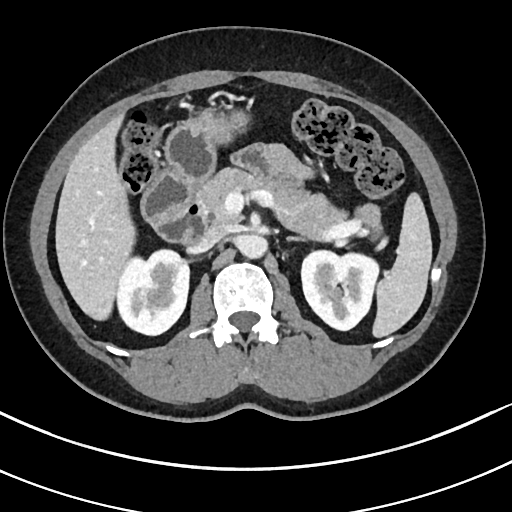
CT, abdomen/pelvis · axial view · 512x512 px
<organs><organ name="spleen" x1="372" y1="192" x2="432" y2="337"/><organ name="right kidney" x1="116" y1="249" x2="189" y2="334"/><organ name="left kidney" x1="301" y1="250" x2="379" y2="330"/><organ name="liver" x1="55" y1="114" x2="135" y2="320"/><organ name="stomach" x1="165" y1="110" x2="247" y2="180"/><organ name="aorta" x1="237" y1="234" x2="267" y2="258"/><organ name="inferior vena cava" x1="189" y1="224" x2="225" y2="253"/><organ name="pancreas" x1="196" y1="168" x2="382" y2="238"/><organ name="left adrenal gland" x1="287" y1="236" x2="306" y2="241"/><organ name="duodenum" x1="141" y1="167" x2="207" y2="243"/></organs>